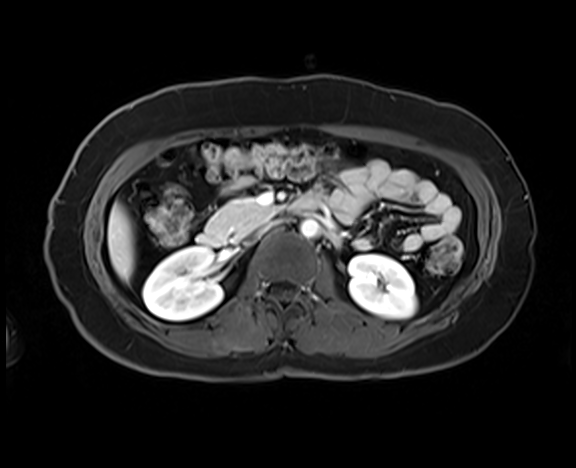
Abdominal MR — axial view — acquired on Prisma
Bounding boxes in pixels, one row per box: x1, y1 is the top-left corner and x2, y2 the bottom-right.
| organ | x1 | y1 | x2 | y2 |
|---|---|---|---|---|
| right kidney | 142 | 247 | 223 | 319 |
| left kidney | 349 | 254 | 416 | 318 |
| liver | 108 | 203 | 134 | 281 |
| aorta | 301 | 219 | 319 | 238 |
| inferior vena cava | 257 | 221 | 276 | 234 |
| pancreas | 206 | 198 | 277 | 241 |
| duodenum | 197 | 194 | 321 | 246 |